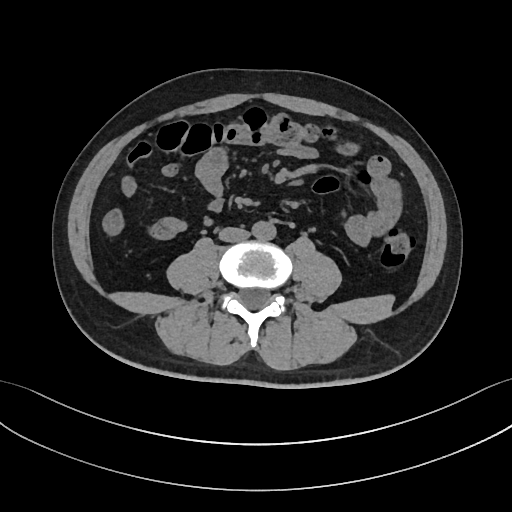
Computed tomography, abdomen — axial view
Organ boxes in pixel coordinates; each row gives the top-left (x1, y1) and bottom-right (x2, y2) corners.
| organ | x1 | y1 | x2 | y2 |
|---|---|---|---|---|
| aorta | 252 | 221 | 275 | 240 |
| inferior vena cava | 219 | 227 | 249 | 242 |